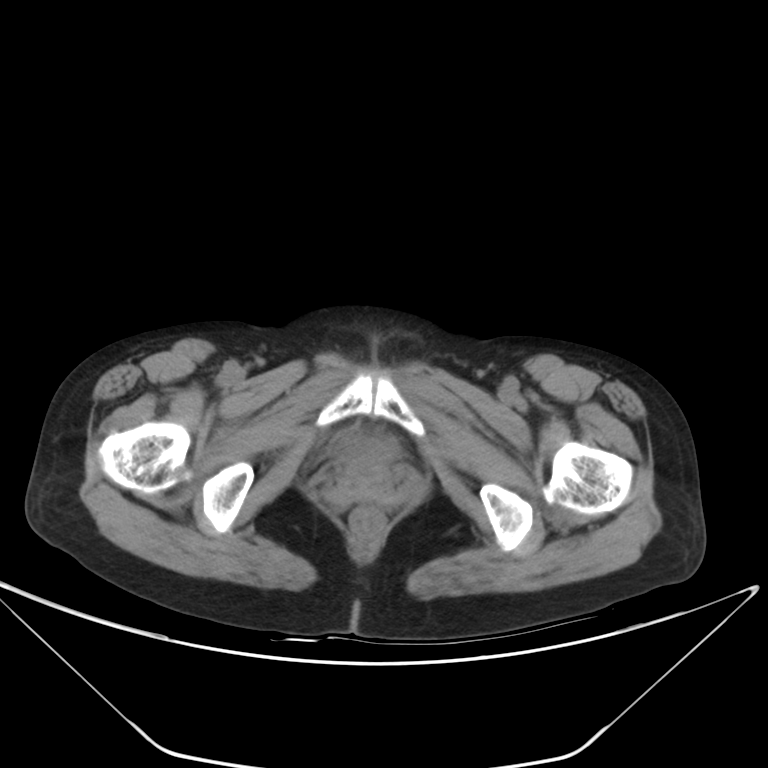 Computed tomography, abdomen; axial view; 768x768 px; acquired on Brilliance16
Organ boxes in pixel coordinates; each row gives the top-left (x1, y1) and bottom-right (x2, y2) corners.
| organ | x1 | y1 | x2 | y2 |
|---|---|---|---|---|
| bladder | 335 | 430 | 397 | 471 |